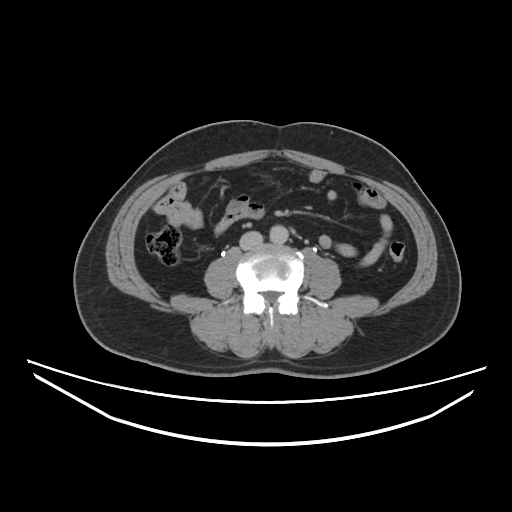

CT, abdomen/pelvis. axial plane, index 62
<organs><organ name="aorta" x1="269" y1="223" x2="288" y2="245"/><organ name="inferior vena cava" x1="239" y1="231" x2="261" y2="249"/></organs>